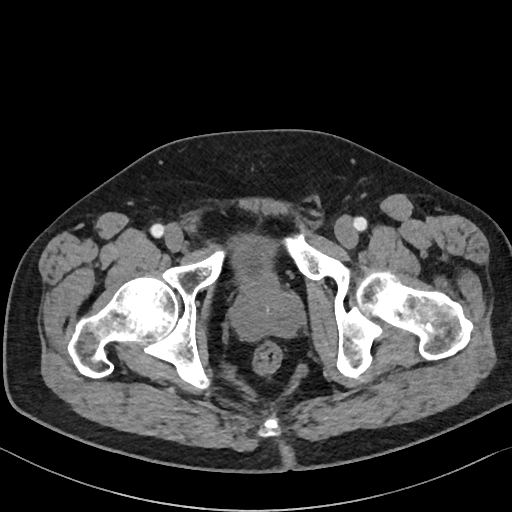
CT abdomen — axial plane, index 20 — soft-tissue window (W 400 / L 40) — 512x512 px — 15 organs annotated in this scan (that count is for the whole scan; organs this slice misses have no box)
{"organs":{"prostate/uterus":[233,280,302,338],"bladder":[228,232,276,288]}}